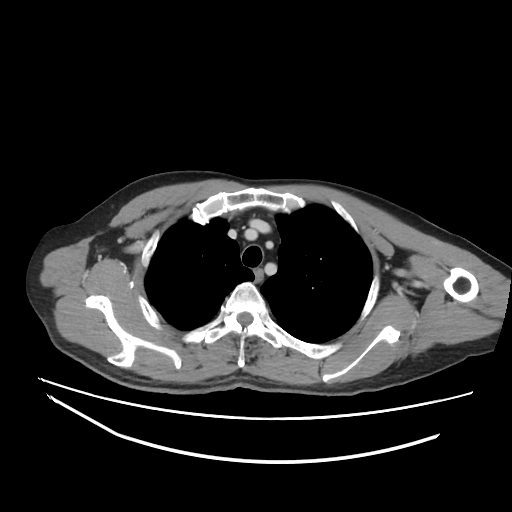

Chest-level CT slice, above the liver and spleen · axial view · 54-year-old male patient · acquired on Aquilion ONE
On a slice this high in the chest, this dataset labels only the esophagus and the aorta, and each is boxed only where it is labeled; the heart, lungs and other chest structures are not labeled.
{"organs":{"esophagus":[253,269,264,282]}}